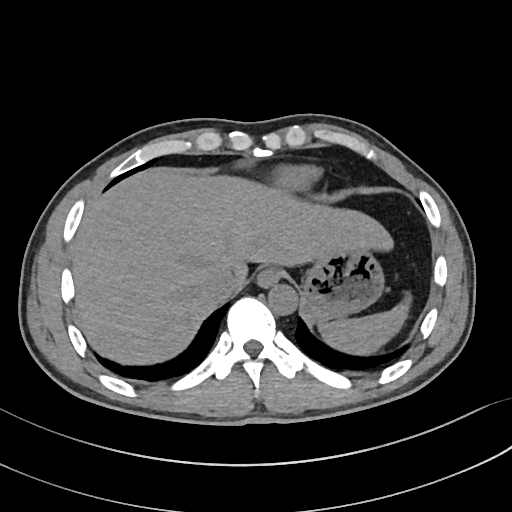

CT, abdomen/pelvis · axial view · W/L 400/40 HU · SOMATOM Force scanner
<organs><organ name="spleen" x1="318" y1="292" x2="411" y2="354"/><organ name="esophagus" x1="257" y1="267" x2="280" y2="287"/><organ name="liver" x1="72" y1="167" x2="393" y2="364"/><organ name="stomach" x1="302" y1="249" x2="384" y2="321"/><organ name="aorta" x1="268" y1="284" x2="297" y2="314"/><organ name="inferior vena cava" x1="204" y1="269" x2="236" y2="301"/></organs>